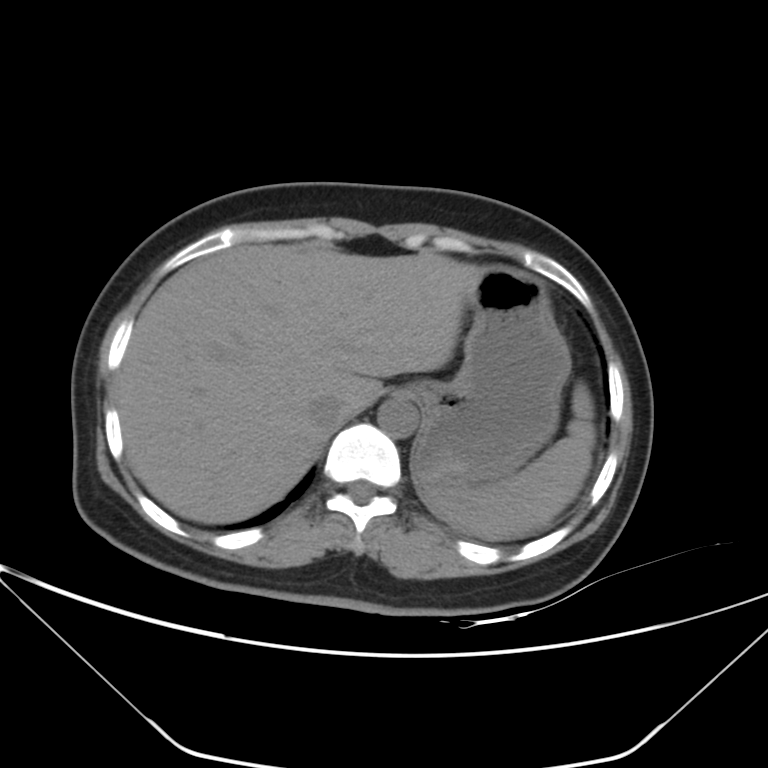

CT abdomen; axial view; abdomen soft-tissue window; 768x768 px; Brilliance16 scanner
Each box given as x1,y1,x2,y2.
Organ bounding boxes:
- spleen: x1=423, y1=381, x2=595, y2=539
- liver: x1=118, y1=244, x2=483, y2=523
- inferior vena cava: x1=307, y1=395, x2=344, y2=429
- stomach: x1=411, y1=266, x2=570, y2=487
- aorta: x1=378, y1=400, x2=418, y2=438